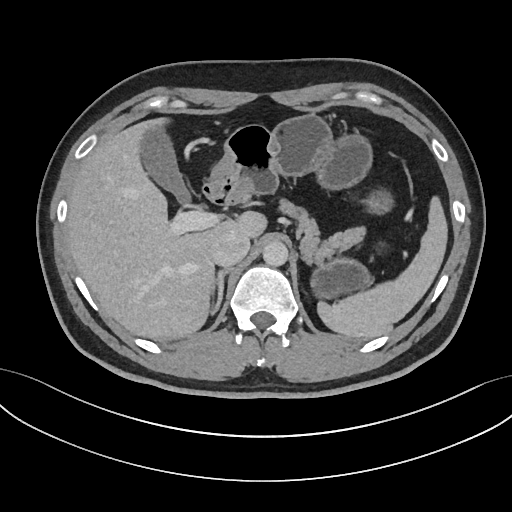 Abdominal CT — axial view
Bounding boxes in pixels, one row per box: x1, y1 is the top-left corner and x2, y2 the bottom-right.
| organ | x1 | y1 | x2 | y2 |
|---|---|---|---|---|
| stomach | 206 | 114 | 394 | 297 |
| gall bladder | 142 | 131 | 189 | 201 |
| inferior vena cava | 211 | 232 | 249 | 266 |
| aorta | 262 | 241 | 288 | 266 |
| right adrenal gland | 211 | 267 | 231 | 314 |
| spleen | 317 | 196 | 446 | 339 |
| duodenum | 204 | 186 | 224 | 203 |
| pancreas | 281 | 200 | 365 | 263 |
| liver | 66 | 116 | 268 | 340 |